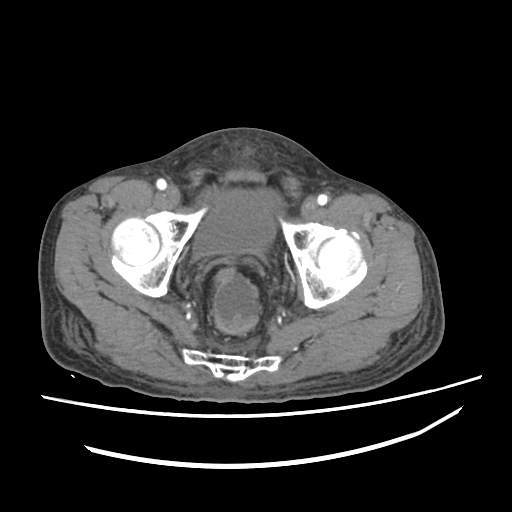
CT abdomen. axial plane, index 27. abdomen soft-tissue window. 50-year-old male patient. acquired on Aquilion ONE. scan has 15 labeled organs (that count is for the whole scan; organs this slice misses have no box)
Boxes: x1:y1:x2:y2 in pixels. The annotated organs in this slice are: bladder at 193:191:274:253.